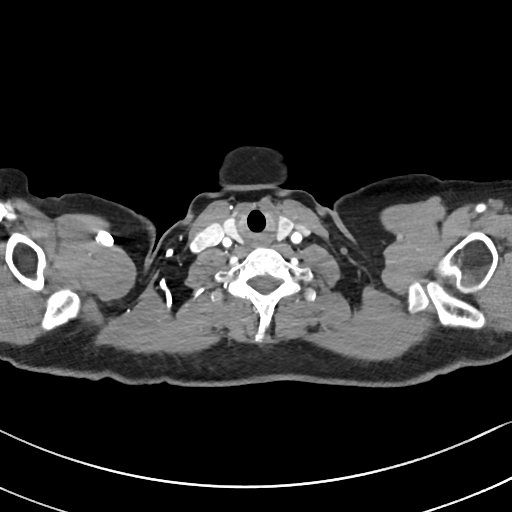
Chest-level slice from an abdominal CT that extends up into the chest; axial view; soft-tissue window, W/L 400/40; SOMATOM Force scanner
On a slice this high in the chest, this dataset labels only the esophagus and the aorta, and each is boxed only where it is labeled; the heart, lungs and other chest structures are not labeled.
<organs><organ name="esophagus" x1="247" y1="233" x2="271" y2="247"/></organs>